CT abdomen; axial plane, index 136; 512x512 px; acquired on SOMATOM Force
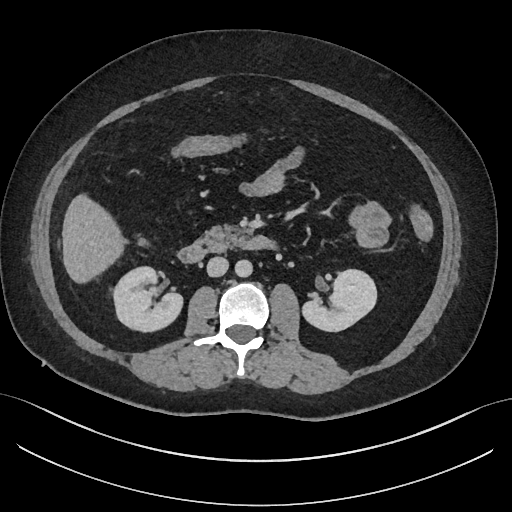
Organ boxes in pixel coordinates; each row gives the top-left (x1, y1) and bottom-right (x2, y2) corners.
| organ | x1 | y1 | x2 | y2 |
|---|---|---|---|---|
| right kidney | 113 | 266 | 182 | 331 |
| left kidney | 302 | 269 | 376 | 331 |
| liver | 62 | 194 | 126 | 283 |
| aorta | 235 | 259 | 252 | 277 |
| inferior vena cava | 207 | 257 | 228 | 276 |
| pancreas | 199 | 225 | 245 | 252 |
| duodenum | 177 | 236 | 275 | 263 |